CT abdomen — axial plane, index 73 — abdomen soft-tissue window
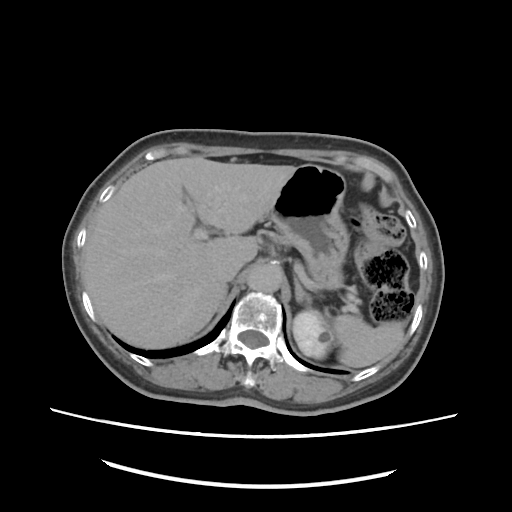 Boxes: x1:y1:x2:y2 in pixels.
pancreas: 345:286:357:293
aorta: 247:265:281:291
stomach: 270:163:350:291
liver: 82:156:296:348
left adrenal gland: 295:277:311:308
inferior vena cava: 218:250:248:277
spleen: 332:314:405:368
left kidney: 293:309:333:358